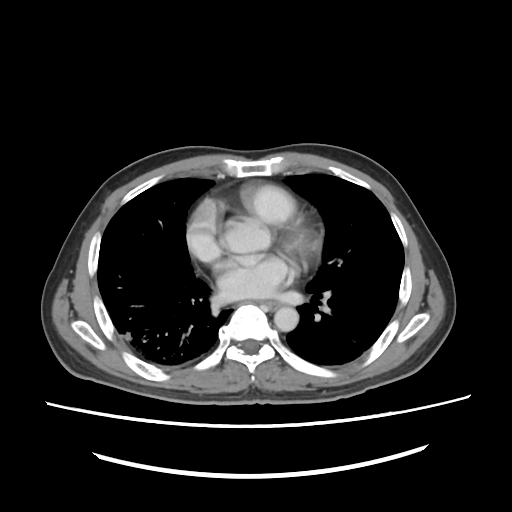

CT of the abdomen reaching into the lower chest, slice just above the liver and spleen; axial plane, index 94; 45-year-old male patient
No part of the heart or lungs is labeled in this dataset, so neither has a box here.
One row per box, in pixels: columns x1 and y1 give the top-left corner, x2 and y2 the bottom-right.
| organ | x1 | y1 | x2 | y2 |
|---|---|---|---|---|
| aorta | 274 | 307 | 298 | 331 |